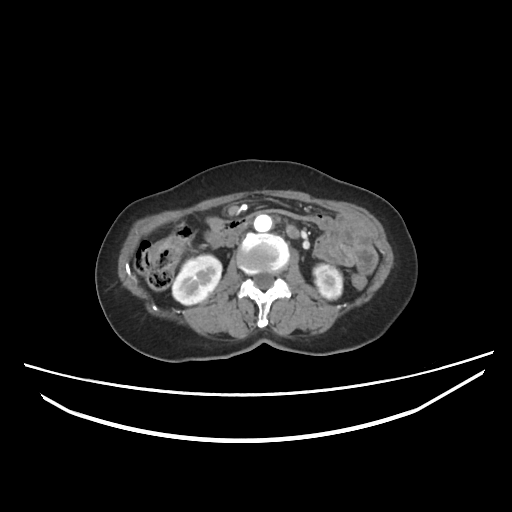

Abdominal CT; axial plane, index 58; soft-tissue window (W 400 / L 40); 512x512 px; 63-year-old female patient
Bounding boxes as [x1, y1, x2, y2] in pixel coordinates.
right kidney: [173, 256, 222, 304]
left kidney: [311, 262, 343, 299]
aorta: [254, 214, 273, 230]
inferior vena cava: [225, 224, 247, 247]
duodenum: [206, 218, 244, 244]